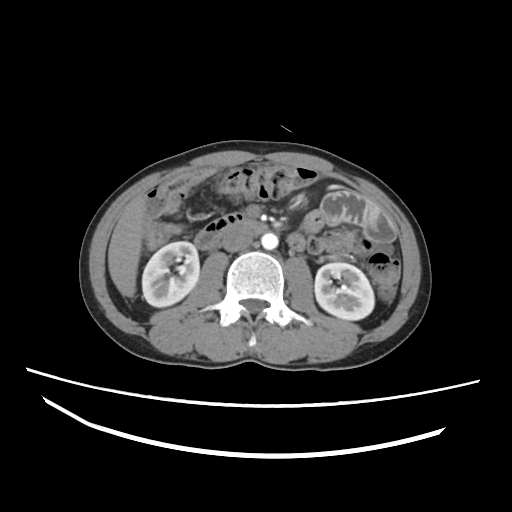
CT abdomen; Axial slice 65/140; 512x512 px; 40-year-old male patient; scan has 15 labeled organs (counted over the whole 3D scan, not this slice; an organ is boxed only where this slice passes through it)
Boxes: x1:y1:x2:y2 in pixels.
Organ bounding boxes:
- right kidney: 142:241:199:307
- left kidney: 314:262:374:320
- liver: 108:196:145:296
- aorta: 261:233:278:249
- inferior vena cava: 221:226:253:251
- duodenum: 194:213:304:249